Abdominal CT. axial view
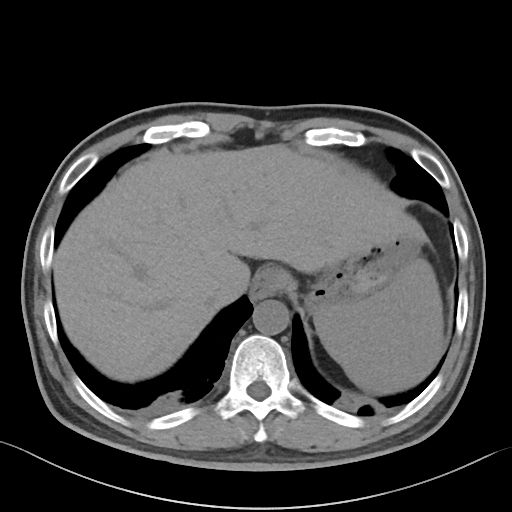

Boxes: x1:y1:x2:y2 in pixels.
spleen: 313:259:442:393
esophagus: 251:267:288:299
liver: 53:144:442:382
stomach: 304:236:420:312
aorta: 252:300:289:335
inferior vena cava: 208:292:219:305